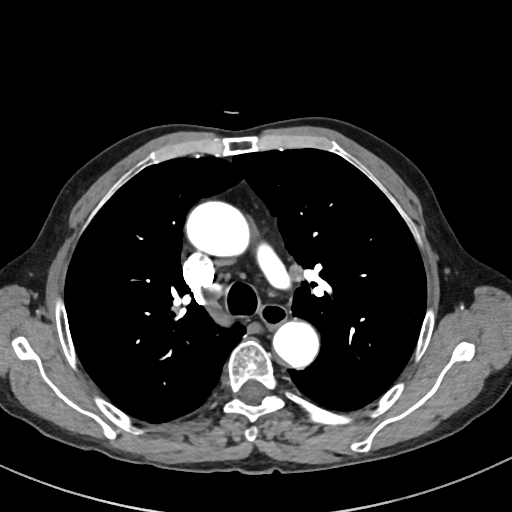

CT of the abdomen extending into the chest, slice through the chest — axial plane, index 258 — scan has 15 labeled organs (that count is for the whole scan; organs this slice misses have no box)
On a slice this high in the chest, this dataset labels only the esophagus and the aorta, and each is boxed only where it is labeled; the heart, lungs and other chest structures are not labeled.
Coordinates as <box>x1,y1,x2,y2</box> in pixels.
esophagus: <box>259,303,285,328</box>
aorta: <box>187,202,252,258</box>
aorta: <box>272,319,319,367</box>